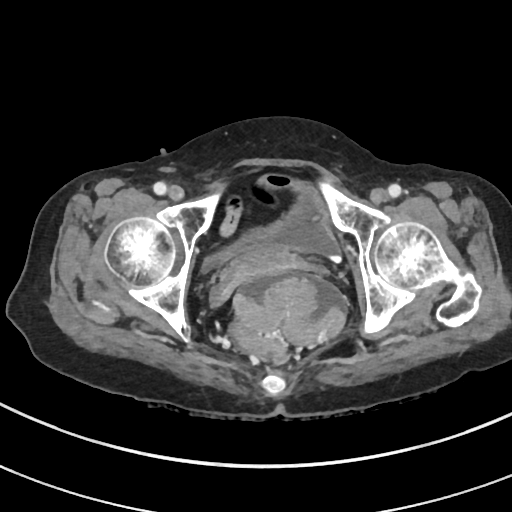 Computed tomography, abdomen · axial view · abdomen soft-tissue window
One row per box, in pixels: columns x1 and y1 give the top-left corner, x2 and y2 the bottom-right.
| organ | x1 | y1 | x2 | y2 |
|---|---|---|---|---|
| bladder | 203 | 175 | 337 | 272 |
| prostate/uterus | 224 | 247 | 296 | 284 |